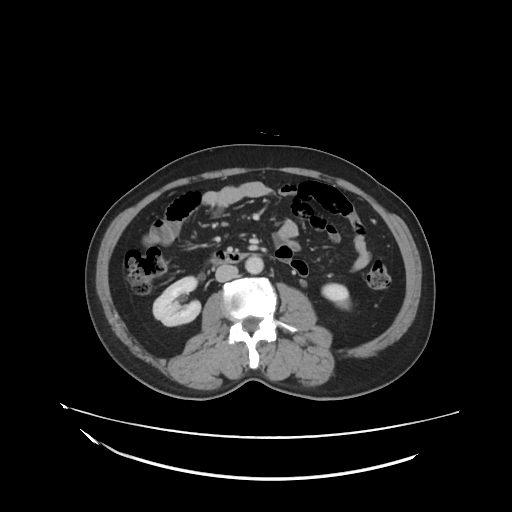

CT, abdomen/pelvis. axial plane, index 47
{"organs":{"right kidney":[154,276,200,326],"left kidney":[322,284,349,307],"aorta":[245,254,264,273],"inferior vena cava":[215,265,237,281],"duodenum":[210,251,248,264]}}